CT of the abdomen extending into the chest, slice through the chest · axial view · soft-tissue window · 43-year-old female patient
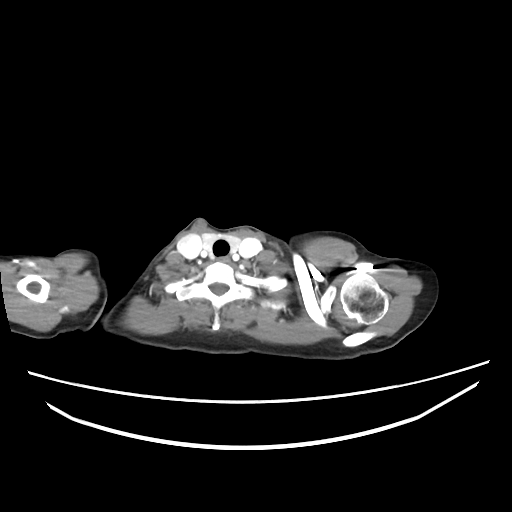
On a slice this high in the chest, this dataset labels only the esophagus and the aorta, and each is boxed only where it is labeled; the heart, lungs and other chest structures are not labeled. Boxes are (x1, y1, x2, y2) in pixels. The annotated organs in this slice are: esophagus at (217, 256, 229, 262).